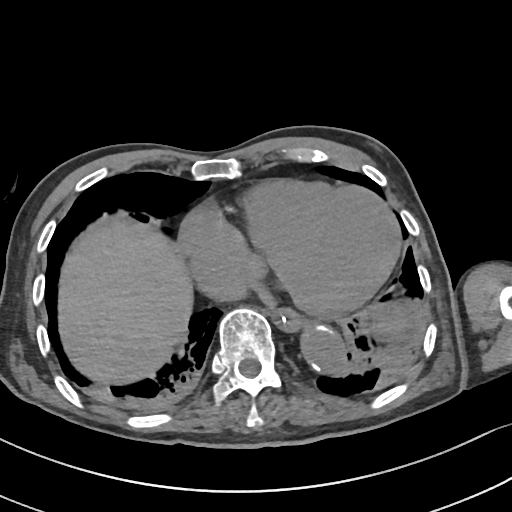

CT, abdomen/pelvis — axial plane, index 190 — acquired on SOMATOM Force — 15 organs annotated in this scan (counted over the whole 3D scan, not this slice; an organ is boxed only where this slice passes through it)
Bounding boxes as [x1, y1, x2, y2] in pixel coordinates. The annotated organs in this slice are: spleen at [376, 306, 405, 333], esophagus at [273, 309, 307, 333], liver at [58, 220, 190, 383], aorta at [302, 328, 344, 374].